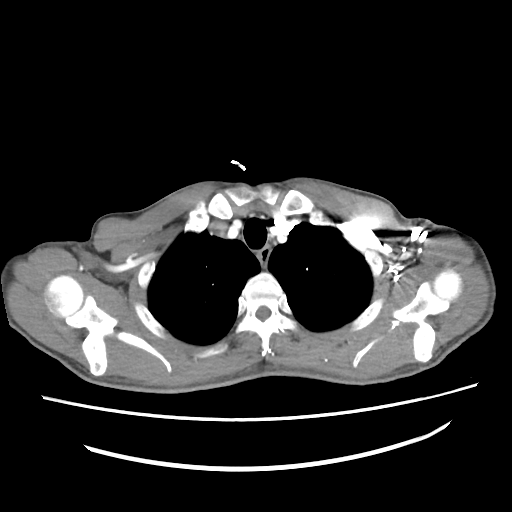

Chest-level slice from an abdominal CT that extends up into the chest. axial plane, index 125. soft-tissue window, W/L 400/40. 512x512 px. 14 organs annotated in this scan (a whole-scan count: organs this slice does not pass through have no box)
At this level of the chest this dataset labels only the esophagus and the aorta, and each is boxed only where it is labeled; the heart and lungs are never labeled.
Boxes: x1 y1 x2 y2 (pixel coords, space-separated).
Organ bounding boxes:
- esophagus: 258 246 271 266